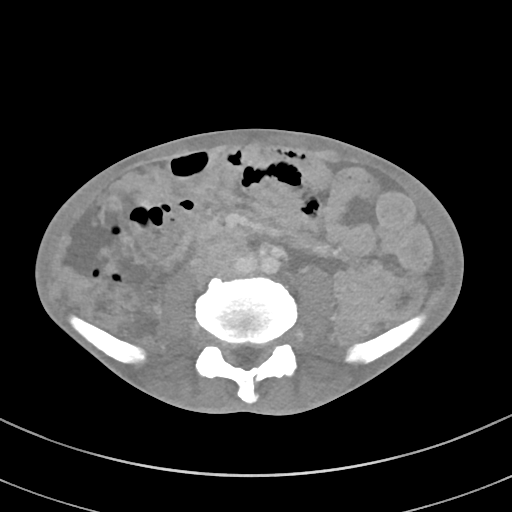 CT abdomen · axial view · scan has 15 labeled organs (that count is for the whole scan; organs this slice misses have no box)
<organs><organ name="pancreas" x1="198" y1="223" x2="243" y2="250"/><organ name="duodenum" x1="206" y1="243" x2="247" y2="264"/></organs>